CT abdomen — axial view — soft-tissue window — 768x768 px — 15 organs annotated in this scan (counted over the whole 3D scan, not this slice; an organ is boxed only where this slice passes through it)
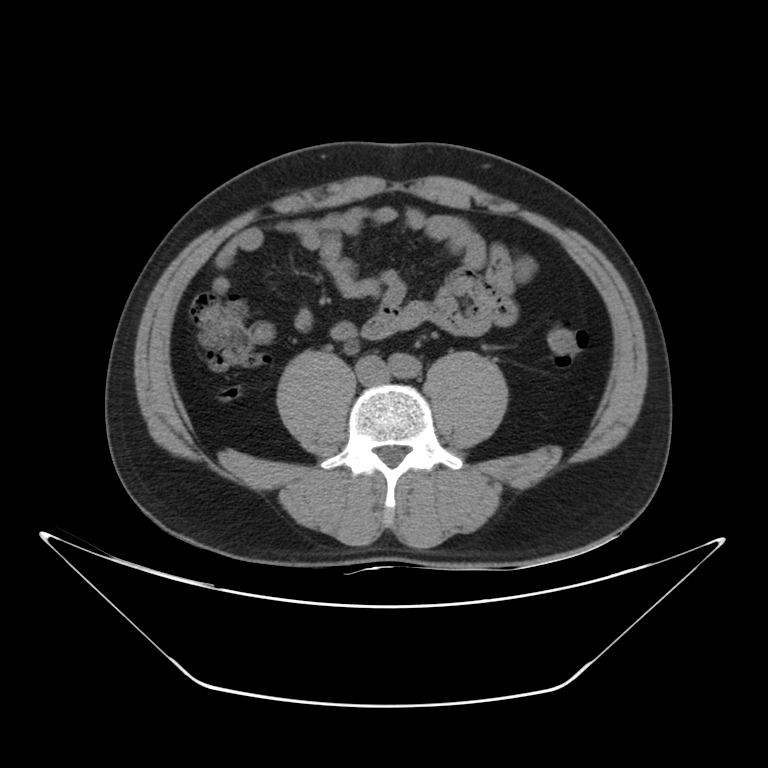
Boxes: x1 y1 x2 y2 (pixel coords, space-separated).
aorta: 387 352 420 377
inferior vena cava: 356 355 389 384